Lower-chest slice from an abdominal CT, just above the liver and spleen; axial view; soft-tissue window, W/L 400/40; 512x512 px
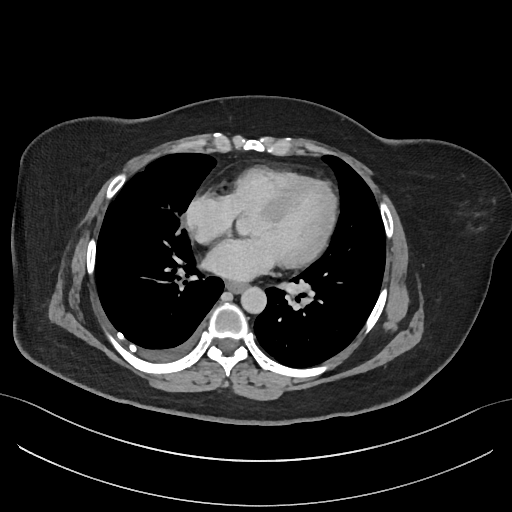 The heart and lungs are never labeled in this dataset, so they have no box on this slice.
{"organs":{"esophagus":[226,281,245,292],"aorta":[240,286,266,313]}}